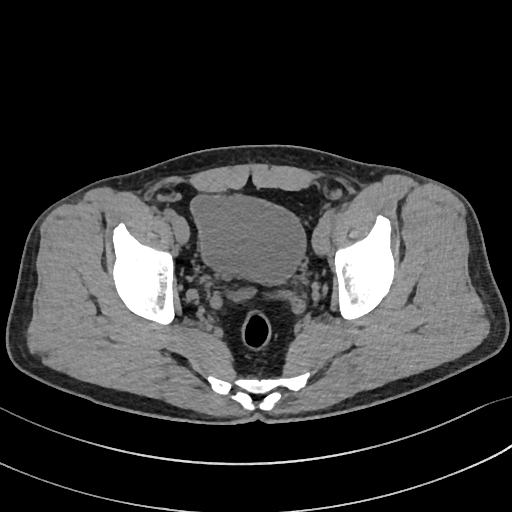

CT, abdomen/pelvis · Axial slice 49/228 · 512x512 px
Coordinates as <box>x1,y1,x2,y2</box> in pixels. 1 labeled organ on this slice — bladder at <box>190,195,305,284</box>.